CT abdomen — Axial slice 34/222 — scan has 15 labeled organs (counted over the whole 3D scan, not this slice; an organ is boxed only where this slice passes through it)
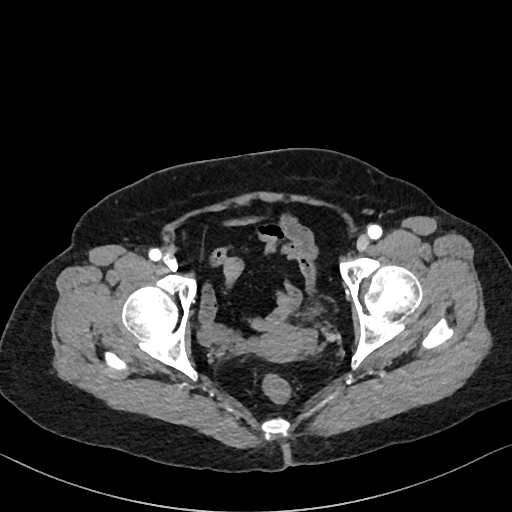
<organs><organ name="bladder" x1="201" y1="328" x2="226" y2="344"/><organ name="prostate/uterus" x1="254" y1="324" x2="313" y2="362"/></organs>